CT, abdomen/pelvis; axial view; soft-tissue window
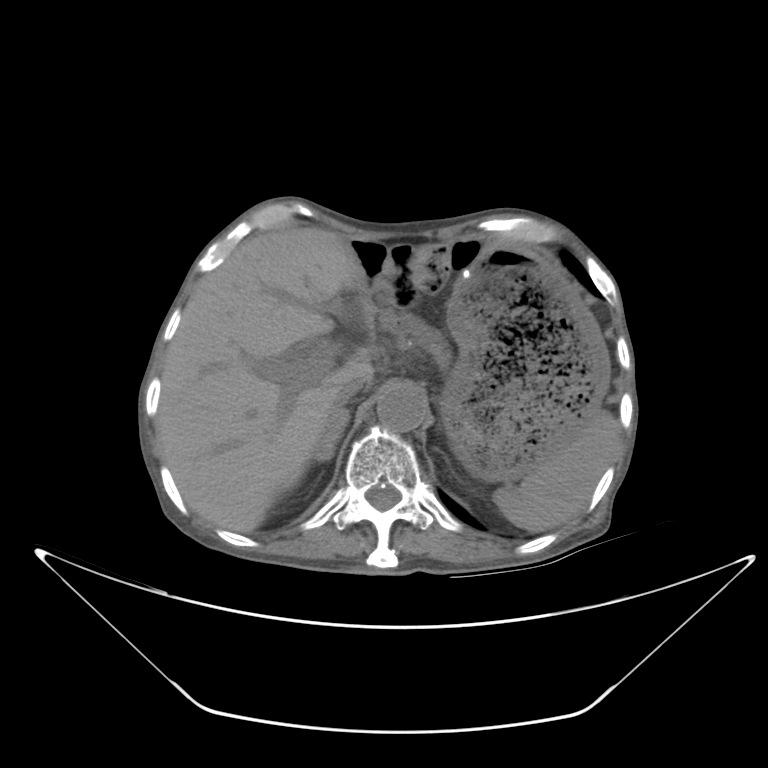
<organs><organ name="spleen" x1="494" y1="414" x2="618" y2="530"/><organ name="liver" x1="157" y1="228" x2="351" y2="532"/><organ name="stomach" x1="440" y1="244" x2="609" y2="483"/><organ name="aorta" x1="377" y1="387" x2="424" y2="430"/><organ name="inferior vena cava" x1="325" y1="376" x2="366" y2="418"/><organ name="pancreas" x1="380" y1="305" x2="449" y2="357"/><organ name="right adrenal gland" x1="311" y1="411" x2="348" y2="464"/></organs>